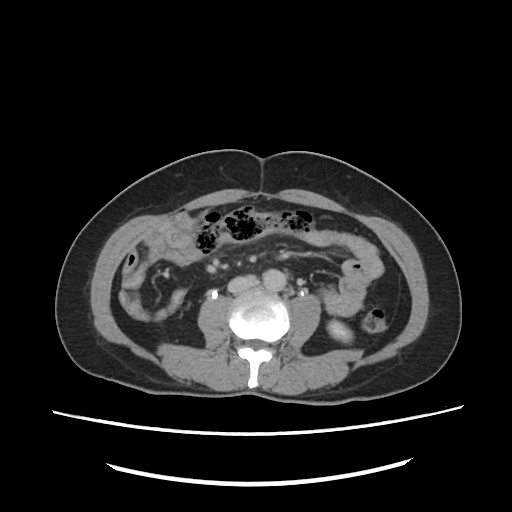
Computed tomography, abdomen — axial view — Aquilion ONE scanner — scan has 15 labeled organs (counted over the whole 3D scan, not this slice; an organ is boxed only where this slice passes through it)
<organs><organ name="left kidney" x1="328" y1="319" x2="351" y2="341"/><organ name="aorta" x1="264" y1="269" x2="284" y2="290"/><organ name="inferior vena cava" x1="228" y1="275" x2="257" y2="293"/></organs>